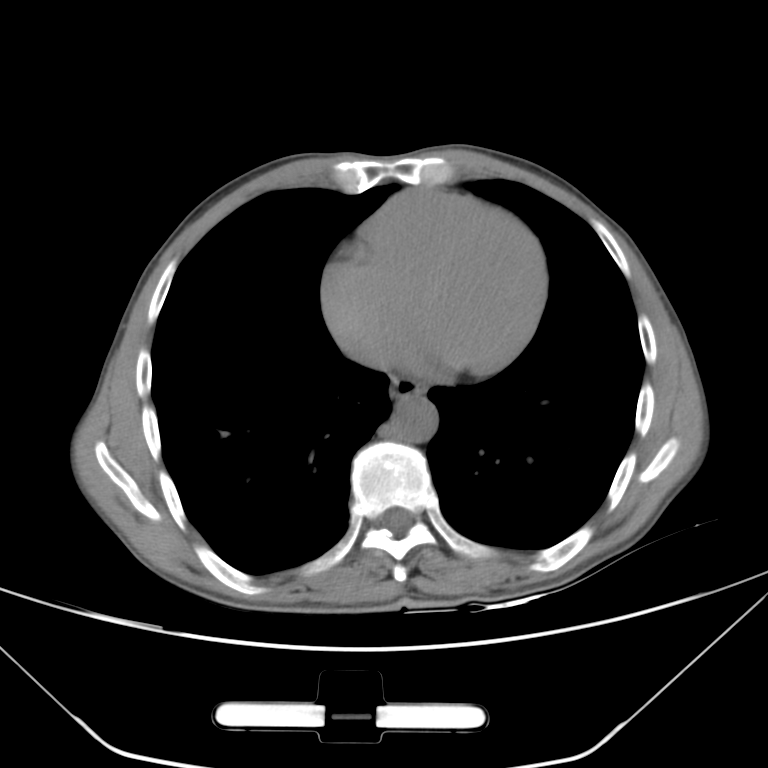

Abdominal CT; this slice is in the lower chest, just above the liver. Axial slice 83/85. soft-tissue window. 768x768 px
The heart and lungs are never labeled in this dataset, so they have no box on this slice.
{"organs":{"esophagus":[391,377,425,400],"aorta":[391,397,437,442],"inferior vena cava":[369,359,383,365]}}